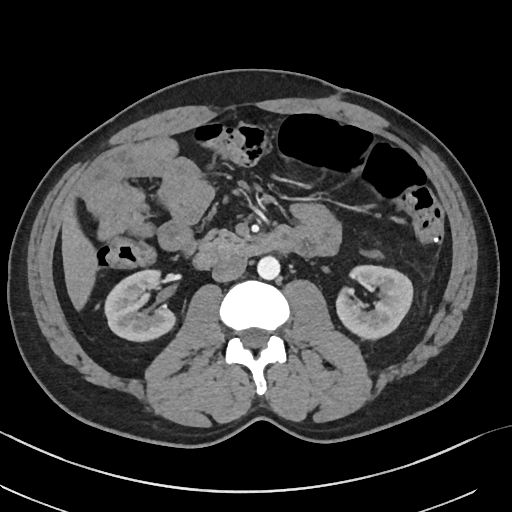

CT, abdomen/pelvis · axial view · soft-tissue window · 15 organs annotated in this scan (that count is for the whole scan; organs this slice misses have no box)
Each box given as x1,y1,x2,y2.
Organ bounding boxes:
- right kidney: x1=105, y1=270, x2=175, y2=342
- left kidney: x1=336, y1=266, x2=411, y2=340
- liver: x1=61, y1=202, x2=97, y2=313
- aorta: x1=257, y1=257, x2=280, y2=280
- inferior vena cava: x1=212, y1=256, x2=246, y2=282
- pancreas: x1=197, y1=229, x2=245, y2=256
- duodenum: x1=193, y1=230, x2=293, y2=270